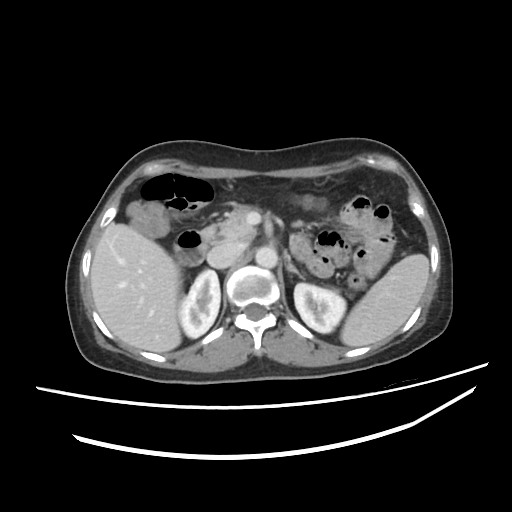

CT, abdomen/pelvis — axial view — W/L 400/40 HU — 54-year-old female patient — Aquilion ONE scanner
Coordinates as <box>x1,y1,x2,y2</box> in pixels.
left kidney: <box>294,283,346,333</box>
aorta: <box>255,246,277,268</box>
liver: <box>90,223,180,352</box>
pancreas: <box>201,205,255,241</box>
inferior vena cava: <box>207,242,241,268</box>
right kidney: <box>178,270,220,338</box>
duodenum: <box>174,226,211,265</box>
left adrenal gland: <box>286,258,304,278</box>
spleen: <box>340,254,429,347</box>